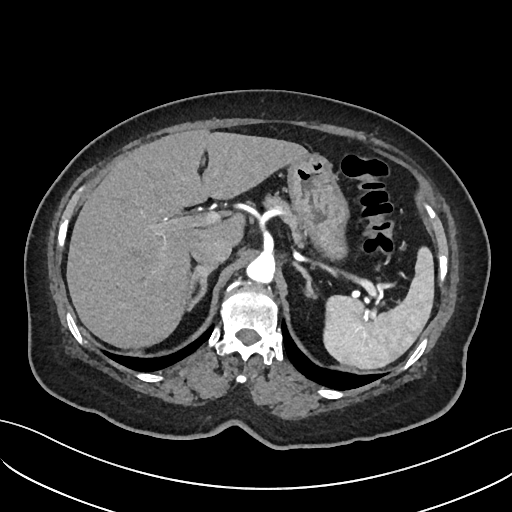

CT, abdomen/pelvis · Axial slice 150/276 · soft-tissue window · 15 organs annotated in this scan (that count is for the whole scan; organs this slice misses have no box)
{"organs":{"spleen":[323,247,434,369],"liver":[66,129,309,348],"stomach":[287,154,348,258],"aorta":[246,254,274,283],"inferior vena cava":[191,237,232,265],"pancreas":[263,194,304,248],"right adrenal gland":[186,265,216,310],"left adrenal gland":[295,264,315,297]}}